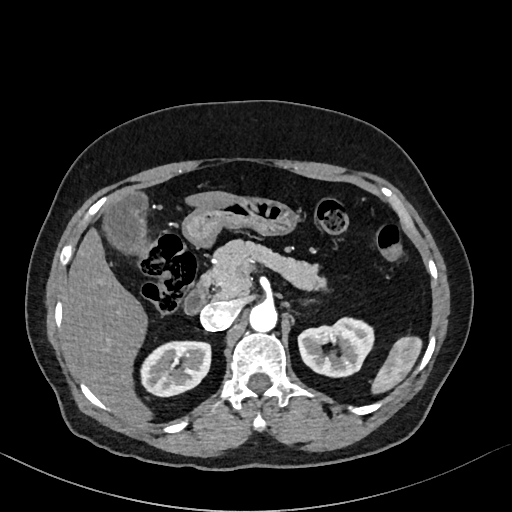

CT abdomen — axial view — abdomen soft-tissue window — 512x512 px — SOMATOM Force scanner — scan has 15 labeled organs (a whole-scan count: organs this slice does not pass through have no box)
Boxes: x1:y1:x2:y2 in pixels. 10 labeled organs on this slice — pancreas at 207:239:327:298; inferior vena cava at 200:301:239:329; gall bladder at 105:193:146:252; stomach at 182:196:297:247; duodenum at 183:273:209:314; liver at 65:191:236:422; aorta at 249:301:277:331; right kidney at 140:341:210:396; left kidney at 298:317:373:377; spleen at 372:336:422:393.